Abdominal MRI; coronal acquisition
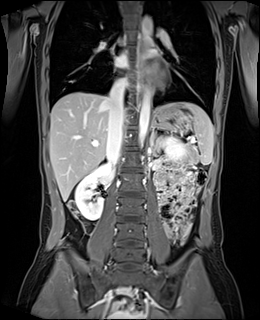 Bounding boxes as [x1, y1, x2, y2] in pixel coordinates. 9 labeled organs on this slice — spleen at [168, 102, 213, 164]; right kidney at [74, 162, 110, 220]; left kidney at [161, 137, 186, 159]; esophagus at [138, 36, 144, 95]; liver at [49, 92, 168, 201]; stomach at [151, 109, 191, 133]; aorta at [138, 89, 150, 146]; aorta at [142, 16, 152, 39]; inferior vena cava at [106, 79, 127, 164]; left adrenal gland at [150, 126, 155, 146].